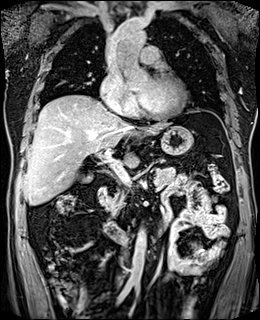

Abdominal MR — coronal plane, index 75 — acquired on Prisma
Box edges are left/top/right/bottom in pixels.
stomach: left=160, top=126, right=192, bottom=154
aorta: left=129, top=229, right=146, bottom=282
aorta: left=117, top=26, right=146, bottom=48
gall bladder: left=81, top=174, right=94, bottom=183
duodenum: left=97, top=187, right=128, bottom=243
liver: left=24, top=95, right=170, bottom=205
inferior vena cava: left=126, top=108, right=132, bottom=114
pancreas: left=102, top=167, right=175, bottom=215